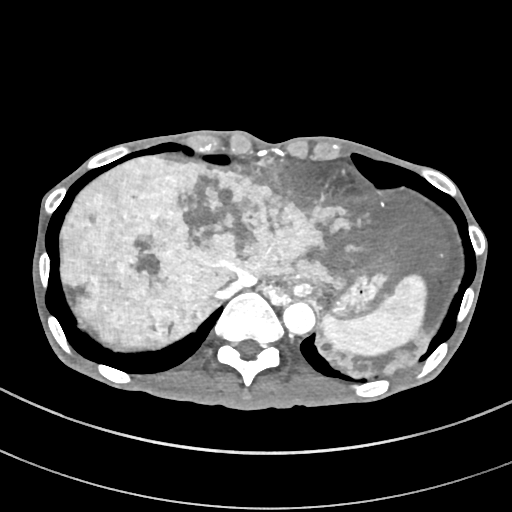 Computed tomography, abdomen · axial plane, index 193 · soft-tissue window
Box edges are left/top/right/bottom in pixels.
spleen: left=323, top=276, right=427, bottom=356
liver: left=60, top=151, right=449, bottom=378
stomach: left=290, top=272, right=387, bottom=310
aorta: left=283, top=301, right=315, bottom=334
inferior vena cava: left=213, top=270, right=257, bottom=299